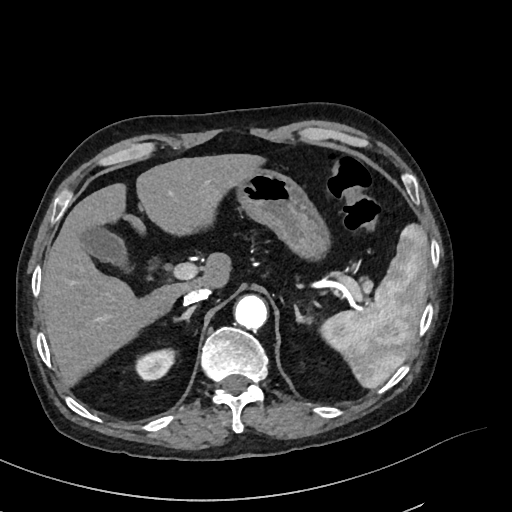

CT abdomen — axial view — 512x512 px — acquired on SOMATOM Force
{"organs":{"spleen":[320,223,428,388],"right kidney":[134,347,176,380],"gall bladder":[81,226,126,263],"liver":[41,154,265,385],"stomach":[233,168,330,261],"aorta":[234,294,267,329],"inferior vena cava":[184,287,210,304],"pancreas":[360,278,371,291],"right adrenal gland":[173,305,196,321],"left adrenal gland":[294,305,312,323]}}